CT abdomen · axial plane, index 125 · soft-tissue window · SOMATOM Force scanner
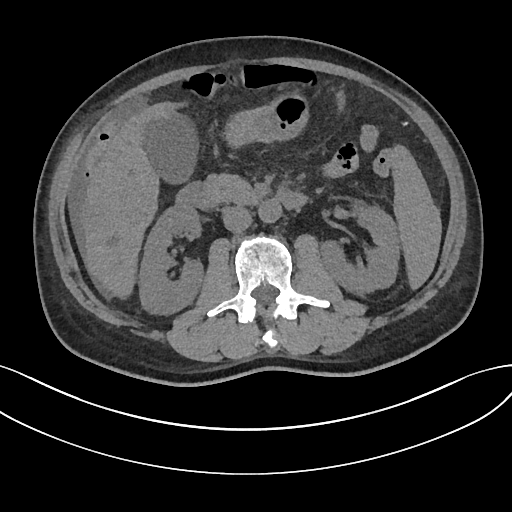

<organs><organ name="inferior vena cava" x1="222" y1="206" x2="251" y2="233"/><organ name="gall bladder" x1="146" y1="114" x2="197" y2="185"/><organ name="pancreas" x1="203" y1="172" x2="262" y2="204"/><organ name="spleen" x1="389" y1="142" x2="442" y2="290"/><organ name="aorta" x1="258" y1="200" x2="281" y2="223"/><organ name="liver" x1="78" y1="100" x2="182" y2="301"/><organ name="left kidney" x1="320" y1="208" x2="399" y2="296"/><organ name="right kidney" x1="138" y1="206" x2="204" y2="315"/><organ name="stomach" x1="224" y1="94" x2="310" y2="149"/><organ name="duodenum" x1="176" y1="182" x2="308" y2="209"/></organs>